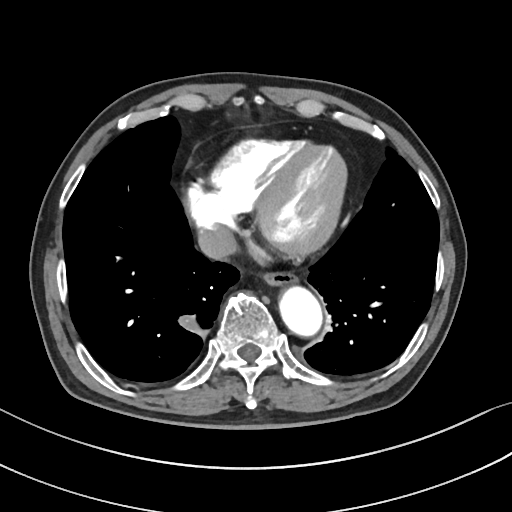

Abdominal CT; this slice is in the lower chest, just above the liver. axial plane, index 203. W/L 400/40 HU. 512x512 px. SOMATOM Force scanner. scan has 15 labeled organs (counted over the whole 3D scan, not this slice; an organ is boxed only where this slice passes through it)
No part of the heart or lungs is labeled in this dataset, so neither has a box here.
Coordinates as <box>x1,y1,x2,y2</box> in pixels.
Organ bounding boxes:
- esophagus: <box>264,273,297,287</box>
- aorta: <box>280,289,322,337</box>
- inferior vena cava: <box>196,226,237,260</box>